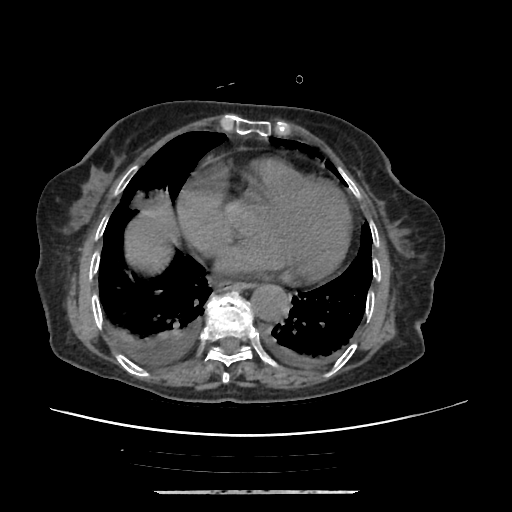
CT, abdomen/pelvis; axial view; 14 organs annotated in this scan (counted over the whole 3D scan, not this slice; an organ is boxed only where this slice passes through it)
<organs><organ name="esophagus" x1="216" y1="279" x2="251" y2="289"/><organ name="liver" x1="125" y1="202" x2="178" y2="270"/><organ name="aorta" x1="250" y1="284" x2="289" y2="320"/></organs>